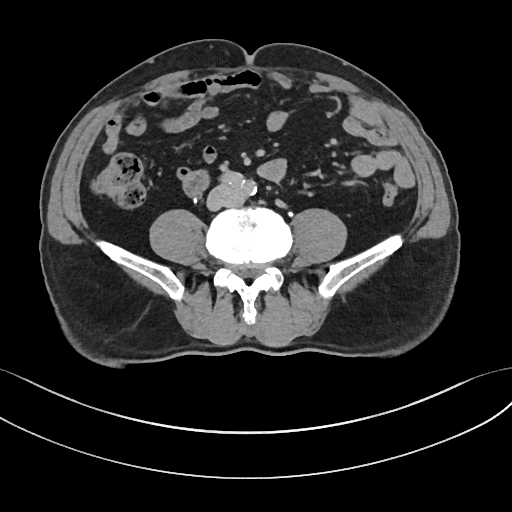
Computed tomography, abdomen; axial view; soft-tissue window; 512x512 px; SOMATOM Force scanner
{"organs":{"duodenum":[184,171,207,196]}}